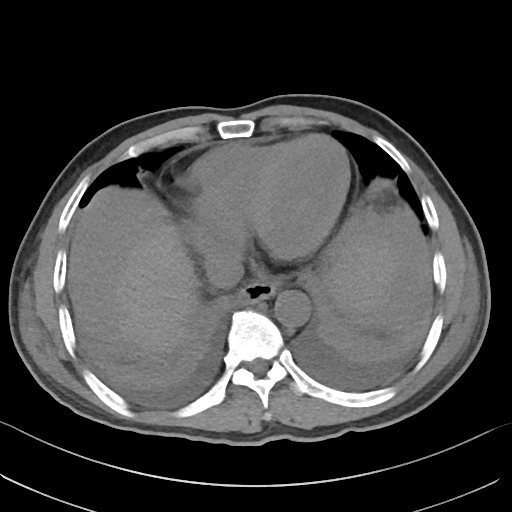
Abdominal CT; axial view
Box edges are left/top/right/bottom in pixels.
spleen: left=351, top=295, right=387, bottom=314
esophagus: left=239, top=280, right=276, bottom=303
liver: left=116, top=226, right=402, bottom=356
aorta: left=274, top=290, right=310, bottom=326
inferior vena cava: left=205, top=253, right=243, bottom=288